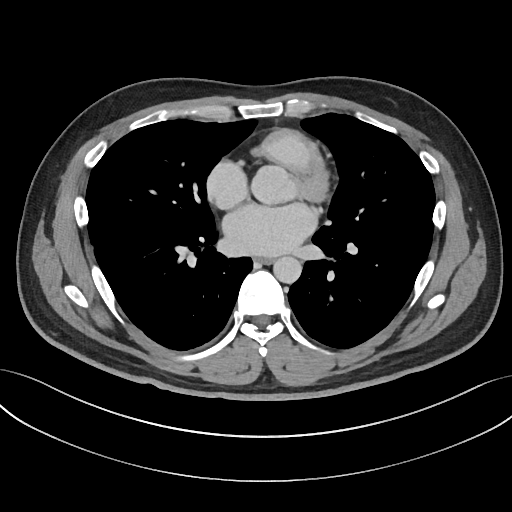 Abdominal CT reaching into the chest; this slice is in the chest — axial view — scan has 15 labeled organs (counted over the whole 3D scan, not this slice; an organ is boxed only where this slice passes through it)
At this level of the chest this dataset labels only the esophagus and the aorta, and each is boxed only where it is labeled; the heart and lungs are never labeled.
{"organs":{"esophagus":[254,256,272,263],"aorta":[273,256,301,283]}}